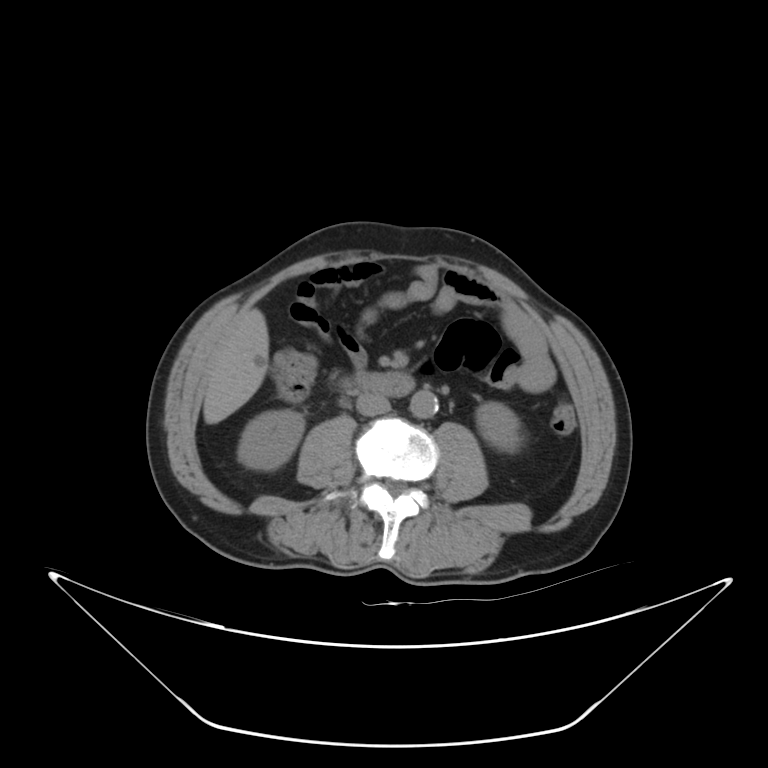
CT, abdomen/pelvis. axial plane, index 54. 15 organs annotated in this scan (that count is for the whole scan; organs this slice misses have no box)
Boxes: x1:y1:x2:y2 in pixels.
Organ bounding boxes:
- right kidney: 238:410:305:469
- left kidney: 476:402:522:451
- liver: 203:308:269:424
- aorta: 410:390:438:418
- inferior vena cava: 356:393:389:415
- duodenum: 354:372:414:396